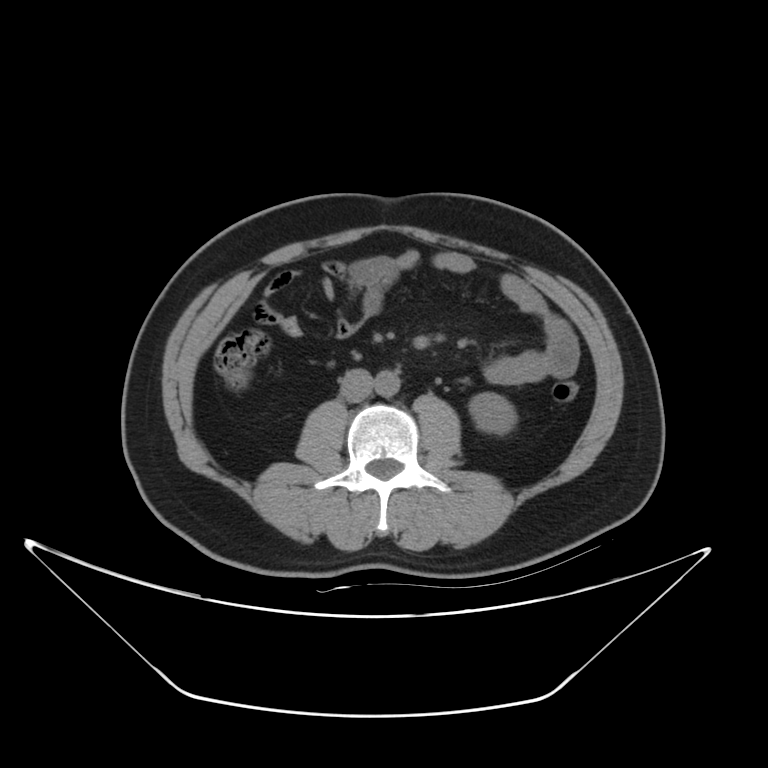

CT abdomen — axial view — abdomen soft-tissue window — acquired on Brilliance16
{"organs":{"left kidney":[469,393,516,433],"aorta":[374,370,400,396],"inferior vena cava":[340,367,373,402]}}